CT abdomen · axial view · scan has 15 labeled organs (a whole-scan count: organs this slice does not pass through have no box)
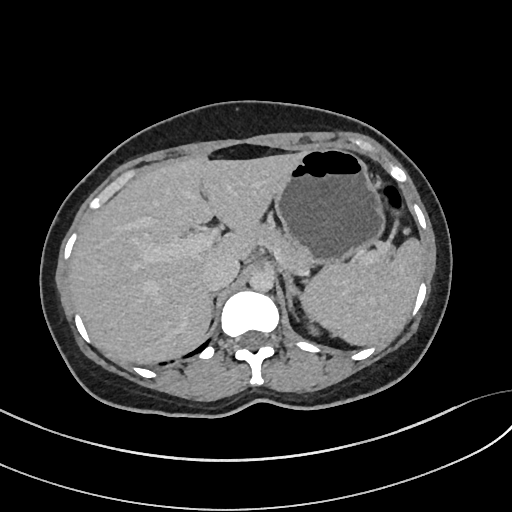

Boxes: x1 y1 x2 y2 (pixel coords, space-separated).
Organ bounding boxes:
- stomach: 273 147 382 266
- pancreas: 256 220 393 269
- aorta: 249 269 272 291
- spleen: 305 240 423 344
- inferior vena cava: 202 256 238 290
- right adrenal gland: 210 293 215 311
- liver: 70 153 300 364
- left adrenal gland: 284 271 300 308
- left kidney: 309 322 319 334